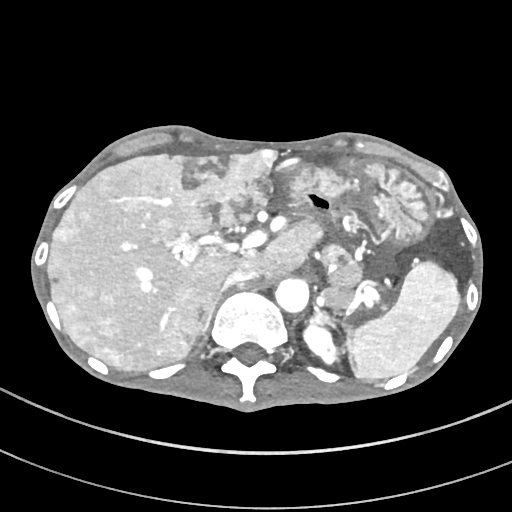 Abdominal CT. axial plane, index 164. 512x512 px
Box edges are left/top/right/bottom in pixels. The annotated organs in this slice are: inferior vena cava at left=221, top=267, right=257, bottom=289, stomach at left=303, top=159, right=433, bottom=243, left kidney at left=304, top=324, right=336, bottom=363, aorta at left=275, top=278, right=308, bottom=312, right adrenal gland at left=202, top=302, right=215, bottom=333, left adrenal gland at left=308, top=305, right=337, bottom=330, liver at left=47, top=148, right=361, bottom=370, spleen at left=346, top=261, right=460, bottom=379.